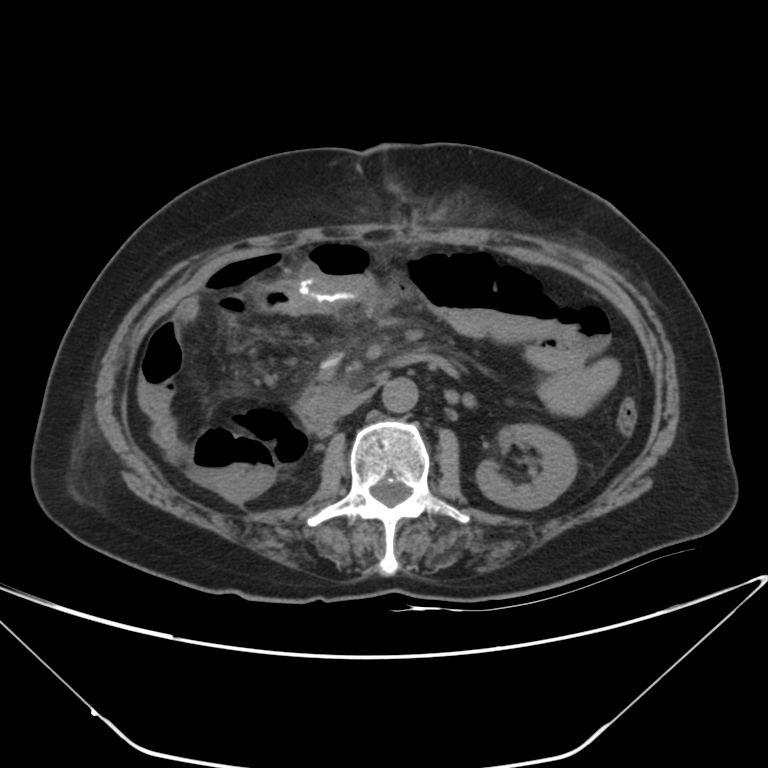

CT, abdomen/pelvis — axial plane, index 55 — 66-year-old female patient
<organs><organ name="left kidney" x1="476" y1="424" x2="576" y2="509"/><organ name="aorta" x1="382" y1="377" x2="418" y2="412"/><organ name="inferior vena cava" x1="337" y1="391" x2="370" y2="415"/><organ name="duodenum" x1="295" y1="351" x2="456" y2="434"/></organs>